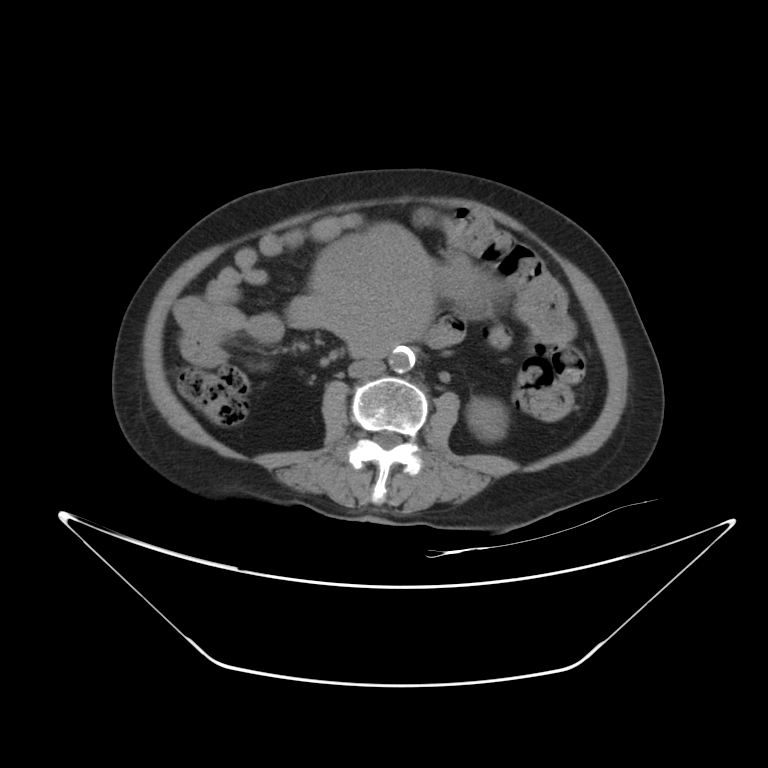

Computed tomography, abdomen · axial plane, index 47 · 768x768 px
Boxes: x1:y1:x2:y2 in pixels.
left kidney: 467:397:505:441
stomach: 289:227:493:353
aorta: 388:348:414:372
inferior vena cava: 348:361:385:377
duodenum: 352:349:399:361